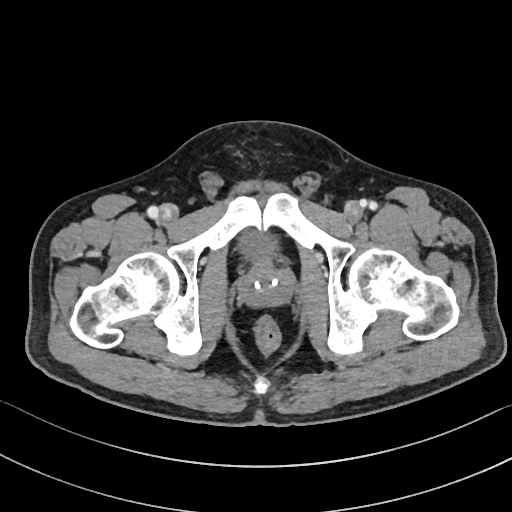

Abdominal CT; axial view; W/L 400/40 HU
{"organs":{"bladder":[237,230,278,259],"prostate/uterus":[238,262,291,307]}}